CT abdomen; axial view; soft-tissue window (W 400 / L 40)
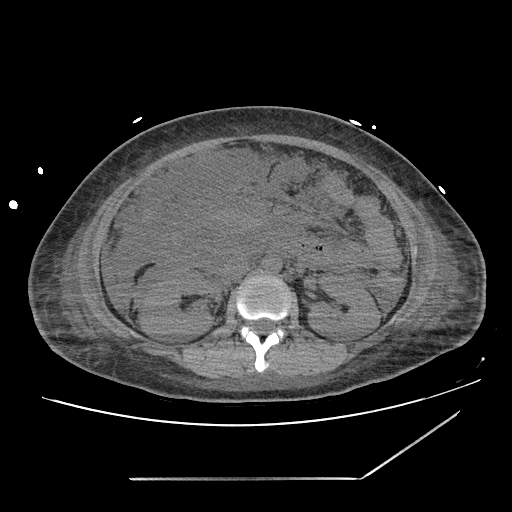
One row per box, in pixels: columns x1 and y1 give the top-left corner, x2 and y2 the bottom-right.
| organ | x1 | y1 | x2 | y2 |
|---|---|---|---|---|
| right kidney | 139 | 269 | 213 | 338 |
| left kidney | 308 | 275 | 380 | 341 |
| liver | 102 | 253 | 121 | 307 |
| aorta | 263 | 256 | 281 | 272 |
| inferior vena cava | 221 | 255 | 249 | 279 |